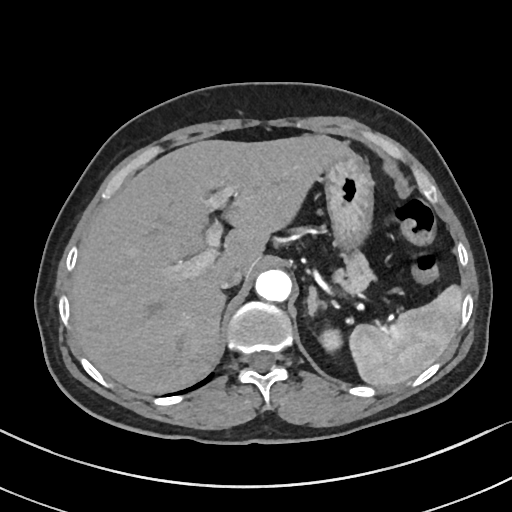
Computed tomography, abdomen · axial view · W/L 400/40 HU · acquired on SOMATOM Force
One row per box, in pixels: columns x1 and y1 give the top-left corner, x2 and y2 the bottom-right.
| organ | x1 | y1 | x2 | y2 |
|---|---|---|---|---|
| spleen | 349 | 285 | 462 | 387 |
| left kidney | 320 | 328 | 342 | 351 |
| liver | 71 | 134 | 350 | 393 |
| stomach | 320 | 152 | 373 | 251 |
| aorta | 255 | 269 | 291 | 301 |
| inferior vena cava | 218 | 266 | 245 | 288 |
| pancreas | 334 | 253 | 374 | 293 |
| left adrenal gland | 307 | 286 | 326 | 316 |